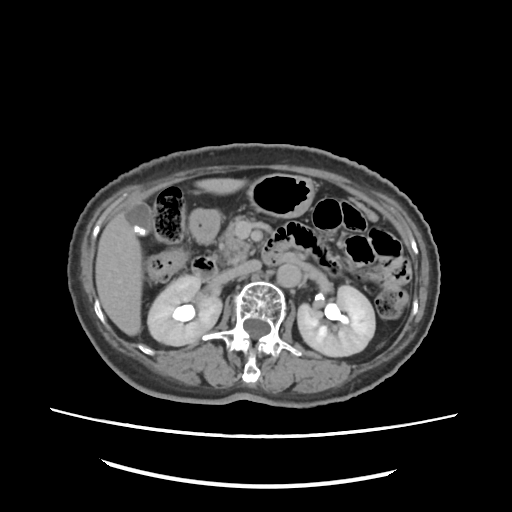

CT, abdomen/pelvis. axial view. soft-tissue window (W 400 / L 40). 512x512 px
{"organs":{"right kidney":[147,276,221,346],"left kidney":[297,286,374,356],"gall bladder":[122,202,151,235],"liver":[95,177,244,335],"stomach":[189,176,312,242],"aorta":[276,261,300,287],"inferior vena cava":[228,261,261,278],"pancreas":[218,215,254,262],"duodenum":[191,240,290,279]}}